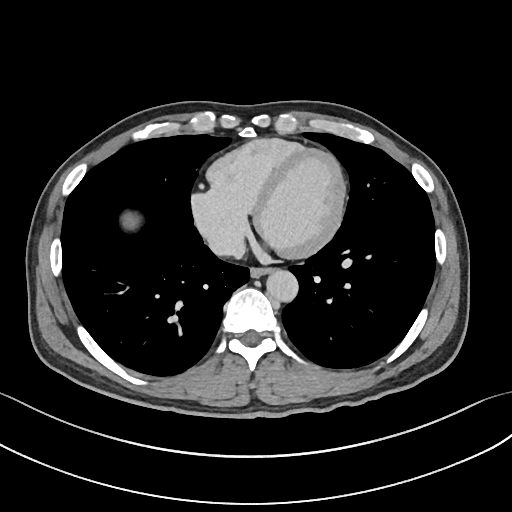
CT, abdomen/pelvis. axial plane, index 227. soft-tissue window. 512x512 px
Boxes are (x1, y1, x2, y2) in pixels. 4 labeled organs on this slice — esophagus at (250, 268, 273, 278); liver at (126, 217, 135, 226); aorta at (267, 270, 298, 302); inferior vena cava at (209, 234, 244, 256).